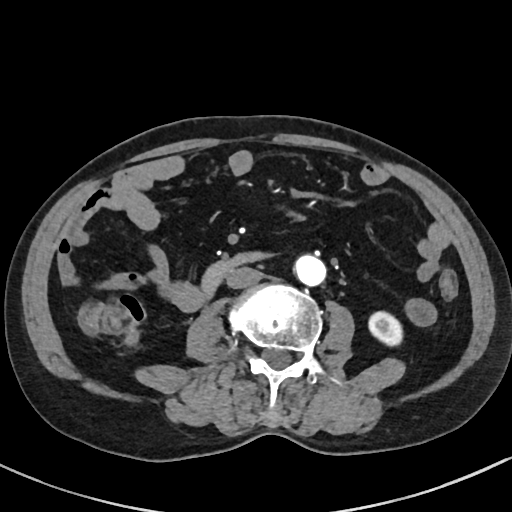
CT, abdomen/pelvis · axial view · W/L 400/40 HU · SOMATOM Force scanner · scan has 15 labeled organs (counted over the whole 3D scan, not this slice; an organ is boxed only where this slice passes through it)
Bounding boxes as [x1, y1, x2, y2] in pixel coordinates.
Organ bounding boxes:
- left kidney: [368, 312, 402, 346]
- aorta: [294, 255, 326, 286]
- inferior vena cava: [226, 266, 263, 288]
- duodenum: [202, 253, 260, 295]